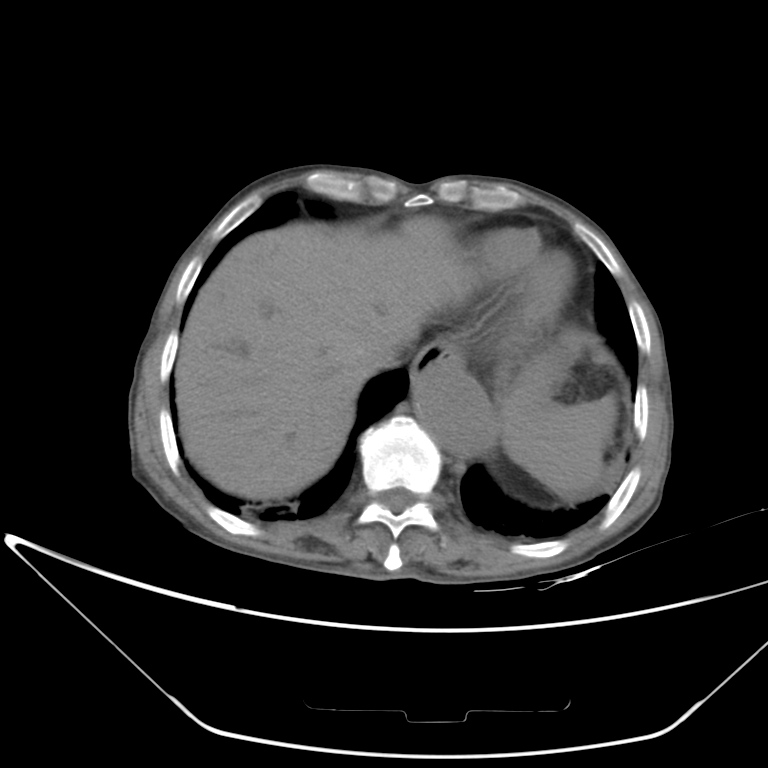
Abdominal CT — axial view — 768x768 px
{"organs":{"aorta":[414,367,493,454],"inferior vena cava":[365,337,408,374],"esophagus":[409,341,463,389],"spleen":[500,395,616,494],"stomach":[505,356,564,412],"liver":[175,216,473,499]}}